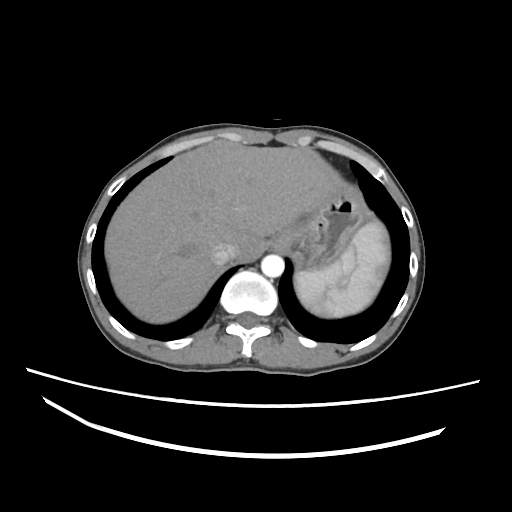
Abdominal CT; axial view; soft-tissue window (W 400 / L 40)
<organs><organ name="spleen" x1="294" y1="220" x2="389" y2="317"/><organ name="liver" x1="105" y1="142" x2="341" y2="323"/><organ name="stomach" x1="268" y1="186" x2="366" y2="267"/><organ name="aorta" x1="261" y1="254" x2="284" y2="277"/><organ name="inferior vena cava" x1="212" y1="242" x2="236" y2="264"/></organs>